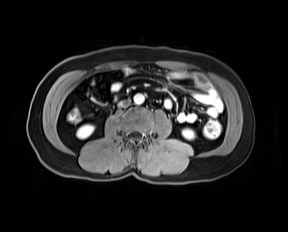
MRI, abdomen — axial view
<organs><organ name="right kidney" x1="77" y1="124" x2="93" y2="139"/><organ name="left kidney" x1="182" y1="129" x2="194" y2="139"/><organ name="aorta" x1="134" y1="93" x2="144" y2="103"/><organ name="inferior vena cava" x1="118" y1="100" x2="129" y2="107"/></organs>